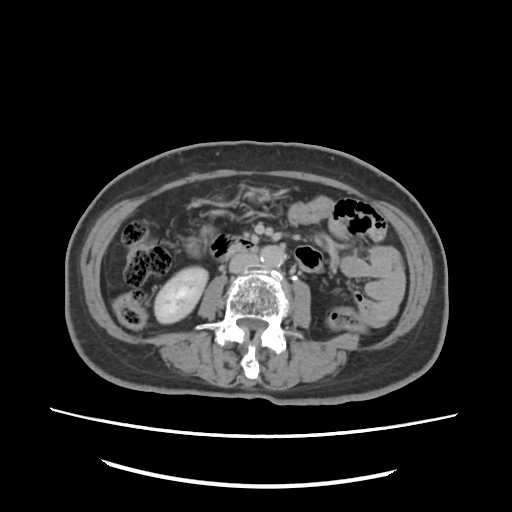 CT, abdomen/pelvis · Axial slice 52/89 · 512x512 px
<organs><organ name="right kidney" x1="155" y1="267" x2="206" y2="323"/><organ name="aorta" x1="260" y1="246" x2="286" y2="266"/><organ name="inferior vena cava" x1="229" y1="252" x2="259" y2="273"/><organ name="duodenum" x1="210" y1="234" x2="252" y2="260"/></organs>